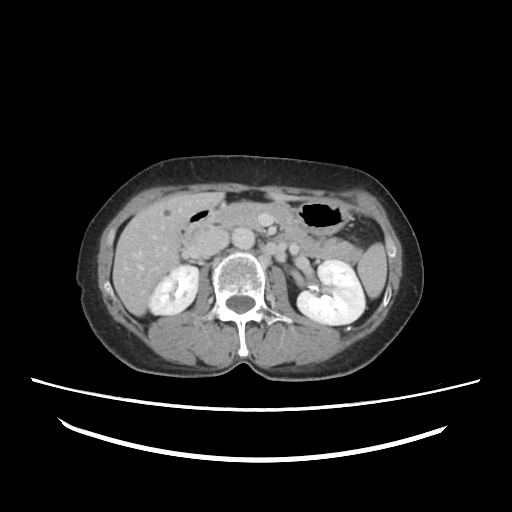 CT, abdomen/pelvis; axial view
Boxes are (x1, y1, x2, y2) in pixels. The annotated organs in this slice are: spleen at (358, 244, 386, 299), right kidney at (147, 265, 198, 314), left kidney at (233, 226, 365, 323), liver at (113, 191, 305, 316), stomach at (186, 199, 348, 232), aorta at (232, 232, 254, 249), inferior vena cava at (199, 229, 229, 258), pancreas at (207, 201, 363, 261), duodenum at (180, 218, 219, 251).